CT of the abdomen extending into the chest, slice through the chest. axial plane, index 117. soft-tissue window (W 400 / L 40). 68-year-old male patient. Aquilion ONE scanner
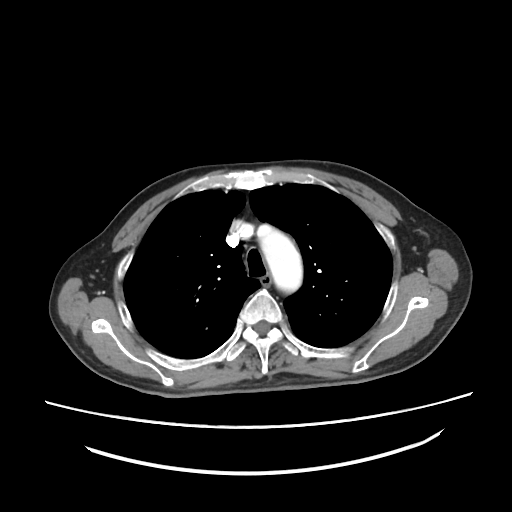 On a slice this high in the chest, this dataset labels only the esophagus and the aorta, and each is boxed only where it is labeled; the heart, lungs and other chest structures are not labeled.
Coordinates as <box>x1,y1,x2,y2</box> in pixels.
aorta: <box>258,225,302,292</box>
esophagus: <box>261,276,270,286</box>